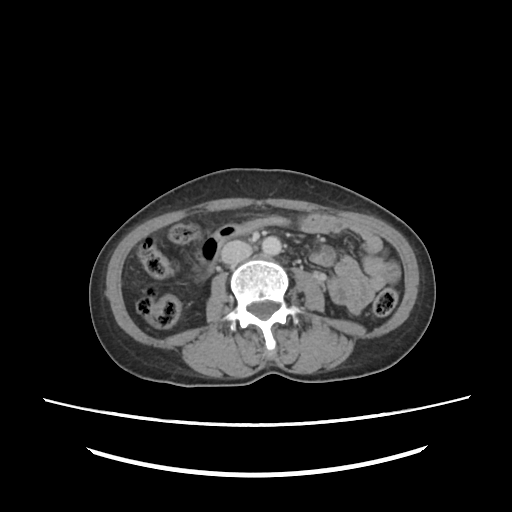

CT, abdomen/pelvis — axial view
Boxes are (x1, y1, x2, y2) in pixels.
aorta: (260, 236, 281, 254)
inferior vena cava: (220, 240, 252, 264)